CT, abdomen/pelvis; axial view; abdomen soft-tissue window
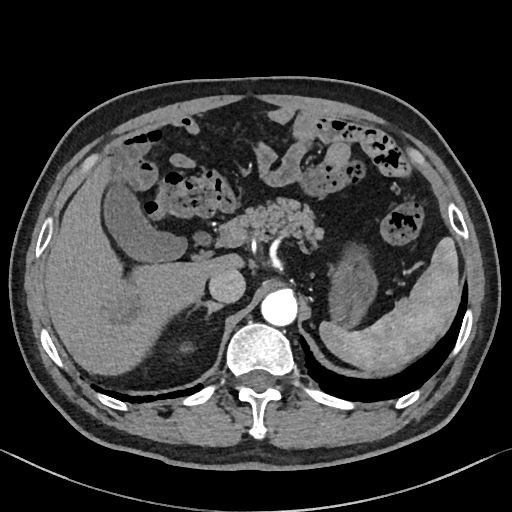
One row per box, in pixels: columns x1 and y1 give the top-left corner, x2 and y2 the bottom-right.
| organ | x1 | y1 | x2 | y2 |
|---|---|---|---|---|
| right adrenal gland | 188 | 300 | 223 | 319 |
| aorta | 261 | 289 | 297 | 326 |
| gall bladder | 103 | 177 | 185 | 261 |
| stomach | 328 | 252 | 377 | 326 |
| inferior vena cava | 209 | 268 | 245 | 302 |
| spleen | 319 | 237 | 458 | 371 |
| pancreas | 219 | 198 | 325 | 246 |
| liver | 44 | 159 | 243 | 375 |